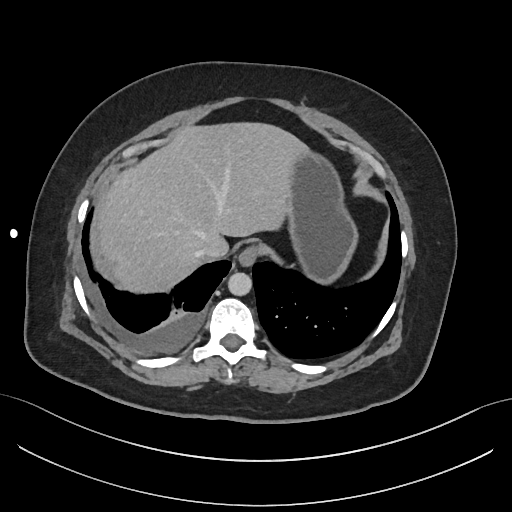 CT, abdomen/pelvis — axial view — scan has 15 labeled organs (counted over the whole 3D scan, not this slice; an organ is boxed only where this slice passes through it)
Bounding boxes in pixels, one row per box: x1, y1 is the top-left corner and x2, y2 the bottom-right.
| organ | x1 | y1 | x2 | y2 |
|---|---|---|---|---|
| esophagus | 239 | 241 | 261 | 265 |
| stomach | 288 | 150 | 355 | 283 |
| inferior vena cava | 197 | 240 | 225 | 259 |
| aorta | 228 | 272 | 251 | 295 |
| liver | 100 | 121 | 305 | 292 |